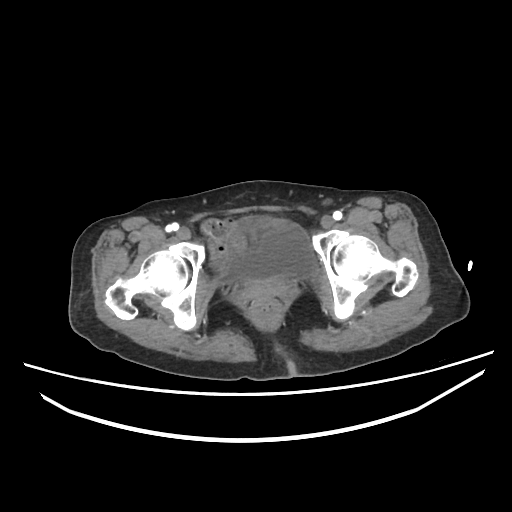

CT abdomen · axial view · soft-tissue window
<organs><organ name="bladder" x1="237" y1="228" x2="316" y2="280"/><organ name="prostate/uterus" x1="243" y1="278" x2="292" y2="300"/></organs>